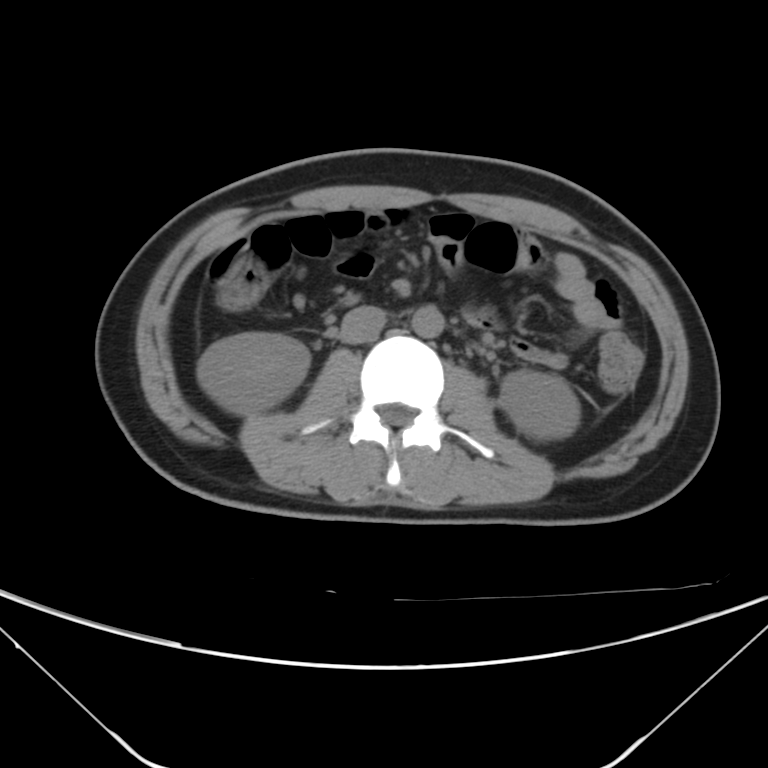 Abdominal CT · Axial slice 55/100 · W/L 400/40 HU · 24-year-old male patient · 15 organs annotated in this scan (a whole-scan count: organs this slice does not pass through have no box)
Bounding boxes in pixels, one row per box: x1, y1 is the top-left corner and x2, y2 the bottom-right.
| organ | x1 | y1 | x2 | y2 |
|---|---|---|---|---|
| inferior vena cava | 340 | 306 | 386 | 344 |
| aorta | 412 | 304 | 443 | 337 |
| right kidney | 197 | 332 | 310 | 414 |
| left kidney | 500 | 371 | 580 | 440 |